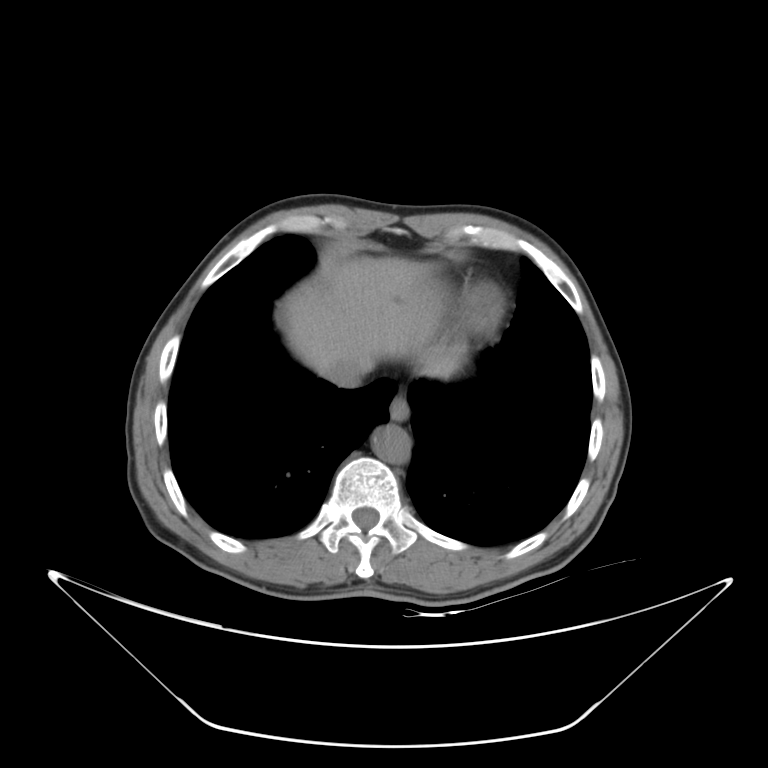 Abdominal CT; axial view; soft-tissue window
One row per box, in pixels: columns x1 and y1 give the top-left corner, x2 and y2 the bottom-right.
| organ | x1 | y1 | x2 | y2 |
|---|---|---|---|---|
| esophagus | 389 | 393 | 409 | 420 |
| liver | 286 | 257 | 457 | 375 |
| aorta | 371 | 424 | 411 | 464 |
| inferior vena cava | 325 | 358 | 366 | 387 |